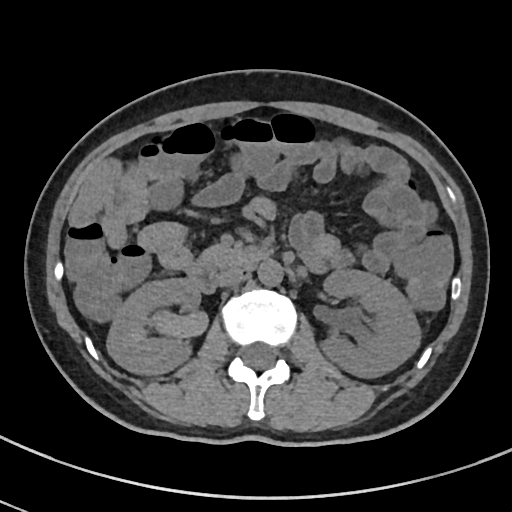 Abdominal CT; axial view; 512x512 px; 15 organs annotated in this scan (counted over the whole 3D scan, not this slice; an organ is boxed only where this slice passes through it)
Boxes: x1 y1 x2 y2 (pixel coords, space-separated).
right kidney: 106 279 199 374
left kidney: 320 270 421 378
aorta: 259 260 283 287
inferior vena cava: 218 269 243 287
pancreas: 198 245 246 271
duodenum: 187 249 266 292